Computed tomography, abdomen; axial view; soft-tissue window; acquired on SOMATOM Force; scan has 15 labeled organs (counted over the whole 3D scan, not this slice; an organ is boxed only where this slice passes through it)
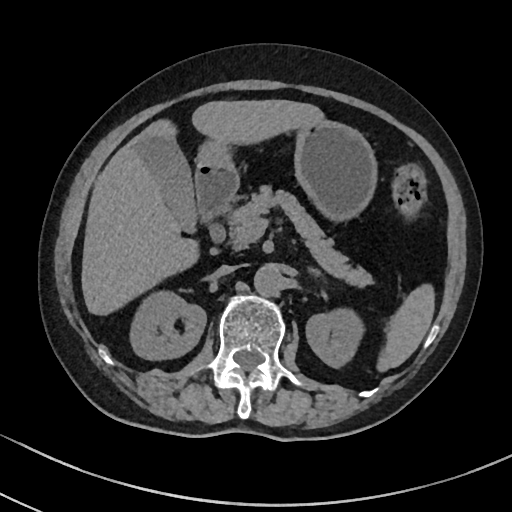
<organs><organ name="duodenum" x1="195" y1="165" x2="239" y2="221"/><organ name="aorta" x1="254" y1="264" x2="282" y2="296"/><organ name="pancreas" x1="227" y1="188" x2="373" y2="287"/><organ name="right kidney" x1="130" y1="290" x2="206" y2="359"/><organ name="spleen" x1="377" y1="284" x2="434" y2="371"/><organ name="stomach" x1="196" y1="121" x2="377" y2="222"/><organ name="left kidney" x1="306" y1="308" x2="364" y2="367"/><organ name="gall bladder" x1="133" y1="134" x2="196" y2="230"/><organ name="left adrenal gland" x1="309" y1="269" x2="320" y2="276"/><organ name="liver" x1="81" y1="99" x2="326" y2="315"/><organ name="inferior vena cava" x1="215" y1="265" x2="235" y2="275"/></organs>